Abdominal CT · axial plane, index 116 · 512x512 px
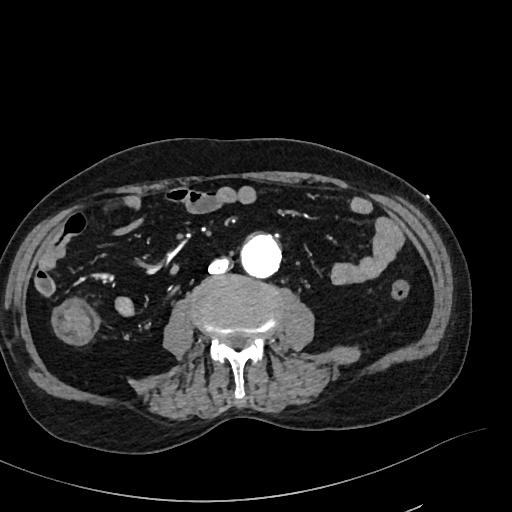

Coordinates as <box>x1,y1,x2,y2</box> in pixels. The annotated organs in this slice are: aorta at <box>241,235,281,278</box>, inferior vena cava at <box>207,259,232,273</box>.